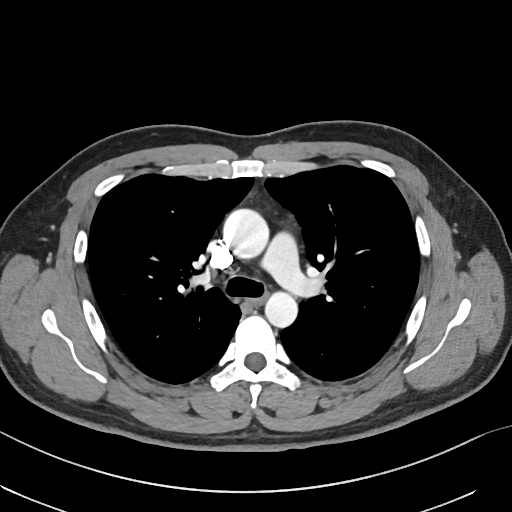
Chest-level slice from an abdominal CT that extends up into the chest — axial plane, index 253 — W/L 400/40 HU
At this level of the chest no structure but the esophagus and the aorta has a label in this dataset, and those two are boxed only where they are labeled.
Bounding boxes in pixels, one row per box: x1, y1 is the top-left corner and x2, y2 the bottom-right.
| organ | x1 | y1 | x2 | y2 |
|---|---|---|---|---|
| esophagus | 252 | 294 | 265 | 304 |
| aorta | 223 | 208 | 268 | 258 |
| aorta | 265 | 291 | 297 | 327 |